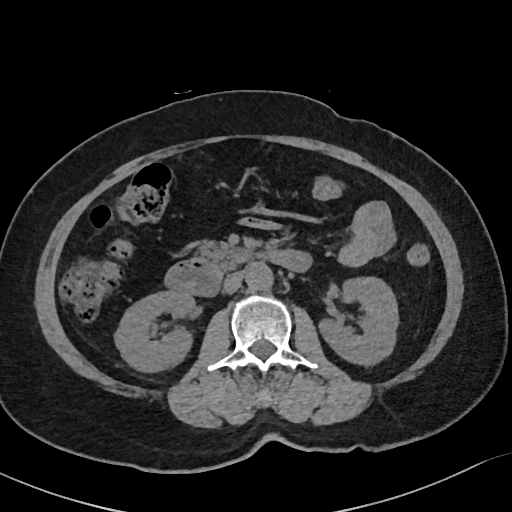

Computed tomography, abdomen — axial view — soft-tissue window — 512x512 px
{"organs":{"right kidney":[115,292,193,373],"left kidney":[317,277,398,366],"aorta":[246,263,274,291],"inferior vena cava":[223,273,243,294],"pancreas":[195,241,257,270],"duodenum":[163,249,313,295]}}